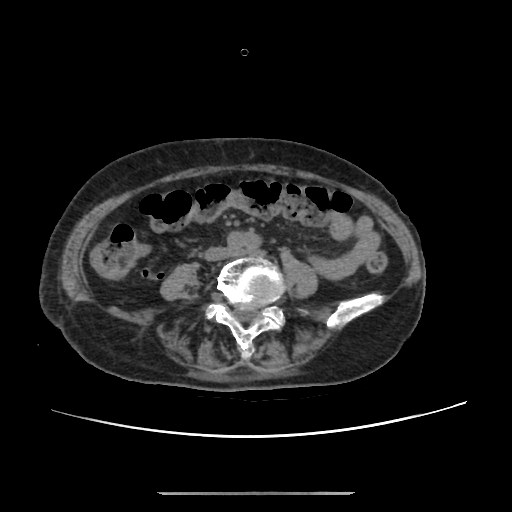 CT, abdomen/pelvis. axial view. acquired on SOMATOM Force
Boxes: x1 y1 x2 y2 (pixel coords, space-separated).
Organ bounding boxes:
- aorta: 227 231 258 251
- inferior vena cava: 204 247 229 260